CT, abdomen/pelvis — axial view
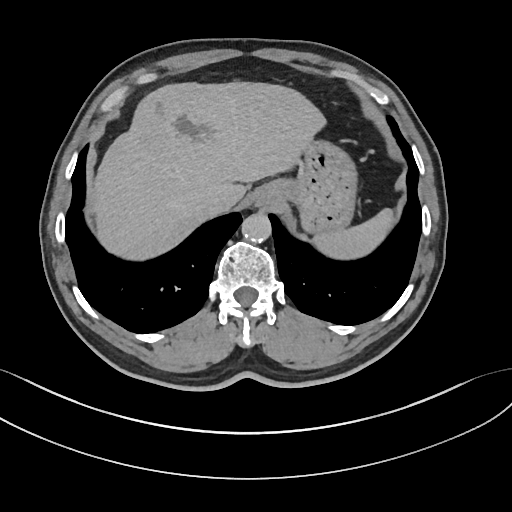

One row per box, in pixels: columns x1 and y1 give the top-left corner, x2 and y2 the bottom-right.
| organ | x1 | y1 | x2 | y2 |
|---|---|---|---|---|
| spleen | 312 | 208 | 393 | 258 |
| liver | 92 | 79 | 325 | 258 |
| stomach | 257 | 139 | 356 | 236 |
| aorta | 241 | 212 | 271 | 243 |
| inferior vena cava | 201 | 191 | 229 | 216 |